Abdominal CT · axial view
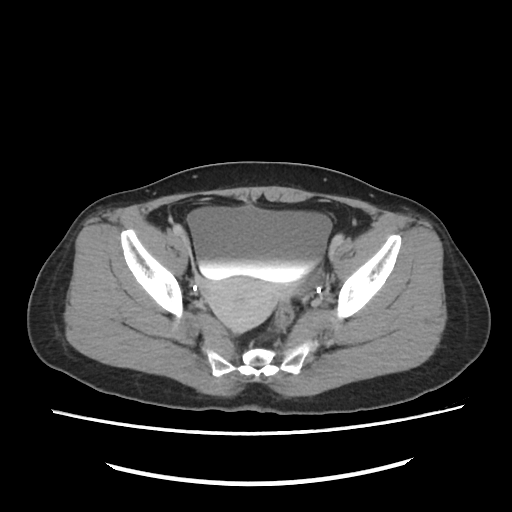

Bounding boxes in pixels, one row per box: x1, y1 is the top-left corner and x2, y2 the bottom-right.
| organ | x1 | y1 | x2 | y2 |
|---|---|---|---|---|
| bladder | 187 | 205 | 333 | 282 |
| prostate/uterus | 195 | 268 | 326 | 331 |